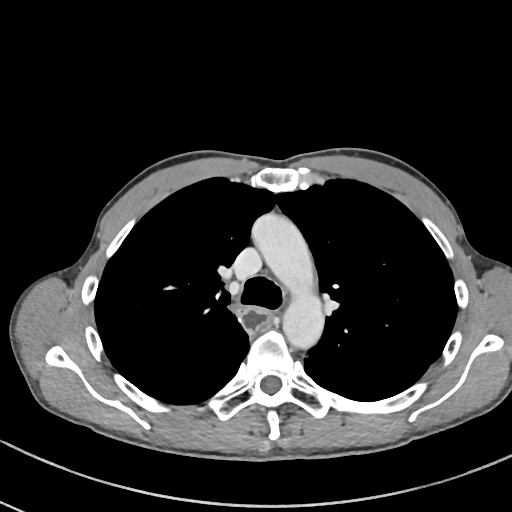

CT of the abdomen extending into the chest, slice through the chest — axial view — 512x512 px
On a slice this high in the chest, this dataset labels only the esophagus and the aorta, and each is boxed only where it is labeled; the heart, lungs and other chest structures are not labeled.
Organ boxes in pixel coordinates; each row gives the top-left (x1, y1) and bottom-right (x2, y2) corners.
| organ | x1 | y1 | x2 | y2 |
|---|---|---|---|---|
| esophagus | 238 | 306 | 273 | 333 |
| aorta | 253 | 215 | 324 | 347 |